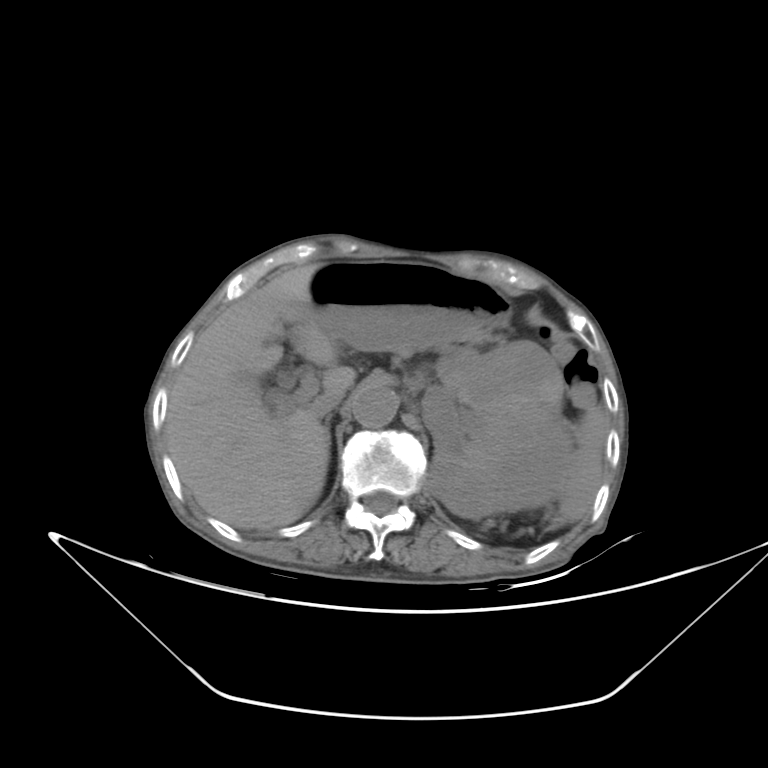

CT, abdomen/pelvis — axial view — 768x768 px
Box edges are left/top/right/bottom in pixels. 8 labeled organs on this slice — left kidney at left=422, top=339, right=571, bottom=517; right adrenal gland at left=323, top=413, right=335, bottom=428; pancreas at left=453, top=331, right=505, bottom=345; inferior vena cava at left=311, top=391, right=344, bottom=412; liver at left=166, top=267, right=355, bottom=529; aorta at left=352, top=387, right=398, bottom=430; stomach at left=306, top=260, right=512, bottom=349; spleen at left=551, top=405, right=603, bottom=529.